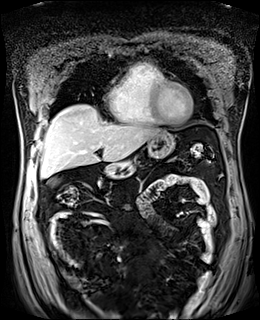
Abdominal MRI. coronal acquisition. percentile-normalized
Organ boxes in pixel coordinates; each row gives the top-left (x1, y1) and bottom-right (x2, y2) corners.
| organ | x1 | y1 | x2 | y2 |
|---|---|---|---|---|
| gall bladder | 49 | 178 | 58 | 185 |
| liver | 41 | 105 | 162 | 177 |
| stomach | 103 | 132 | 174 | 178 |